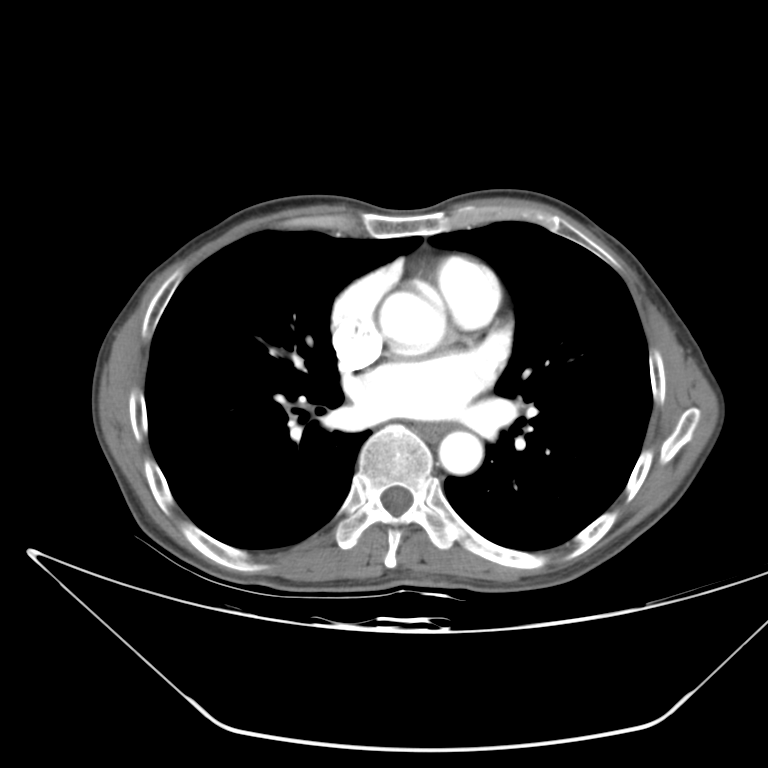
CT of the abdomen extending into the chest, slice through the chest. axial plane, index 70. 768x768 px. acquired on Brilliance16
On a slice this high in the chest, this dataset labels only the esophagus and the aorta, and each is boxed only where it is labeled; the heart, lungs and other chest structures are not labeled.
One row per box, in pixels: columns x1 and y1 give the top-left corner, x2 and y2 the bottom-right.
| organ | x1 | y1 | x2 | y2 |
|---|---|---|---|---|
| aorta | 380 | 291 | 444 | 355 |
| aorta | 439 | 431 | 482 | 474 |
| esophagus | 416 | 423 | 448 | 439 |